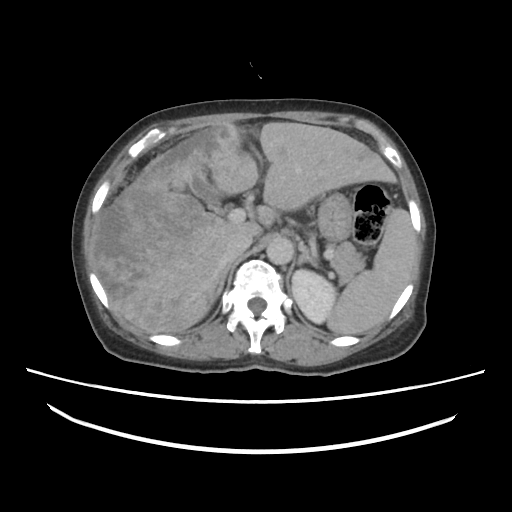
CT, abdomen/pelvis. axial plane, index 71. acquired on Aquilion ONE. 15 organs annotated in this scan (a whole-scan count: organs this slice does not pass through have no box)
{"organs":{"inferior vena cava":[224,232,252,260],"aorta":[266,236,292,264],"right adrenal gland":[216,262,231,295],"left adrenal gland":[299,252,319,270],"left kidney":[291,271,336,322],"liver":[92,121,396,333],"spleen":[326,207,413,335],"stomach":[318,192,352,245],"gall bladder":[194,178,220,207],"pancreas":[331,242,365,283]}}